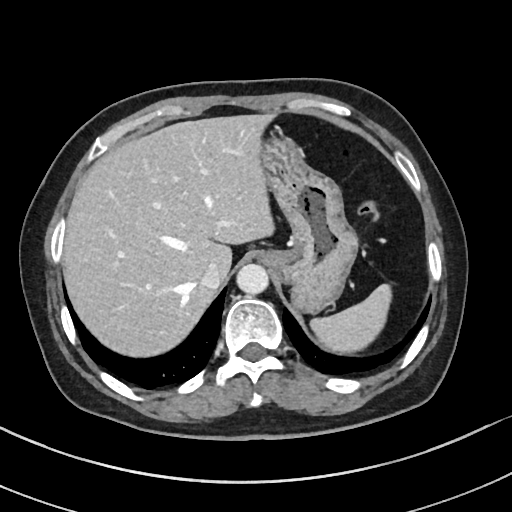
CT, abdomen/pelvis; axial plane, index 202
Bounding boxes in pixels, one row per box: x1, y1 is the top-left corner and x2, y2 the bottom-right.
| organ | x1 | y1 | x2 | y2 |
|---|---|---|---|---|
| stomach | 260 | 122 | 357 | 310 |
| inferior vena cava | 200 | 262 | 226 | 289 |
| spleen | 308 | 284 | 391 | 350 |
| liver | 64 | 114 | 272 | 356 |
| aorta | 237 | 264 | 270 | 294 |